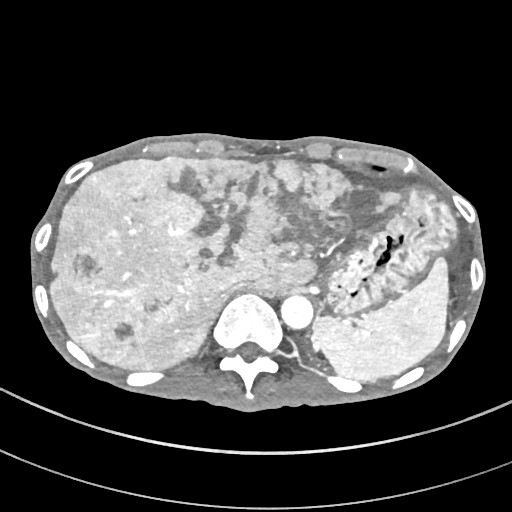 Abdominal CT; Axial slice 182/218; soft-tissue window
One row per box, in pixels: columns x1 and y1 give the top-left corner, x2 and y2 the bottom-right.
| organ | x1 | y1 | x2 | y2 |
|---|---|---|---|---|
| stomach | 327 | 186 | 457 | 315 |
| inferior vena cava | 220 | 281 | 250 | 298 |
| spleen | 312 | 257 | 449 | 380 |
| liver | 49 | 155 | 404 | 370 |
| aorta | 281 | 295 | 313 | 328 |